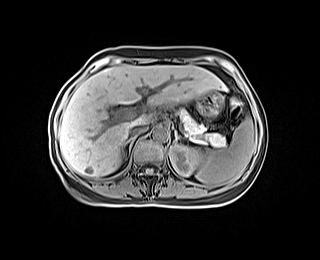

Magnetic resonance imaging, abdomen. axial view. 1st–99th percentile window
<organs><organ name="spleen" x1="195" y1="116" x2="255" y2="186"/><organ name="left kidney" x1="169" y1="144" x2="202" y2="176"/><organ name="liver" x1="59" y1="64" x2="225" y2="176"/><organ name="stomach" x1="196" y1="91" x2="223" y2="117"/><organ name="aorta" x1="153" y1="126" x2="168" y2="140"/><organ name="inferior vena cava" x1="129" y1="124" x2="147" y2="135"/><organ name="pancreas" x1="178" y1="108" x2="224" y2="145"/><organ name="right adrenal gland" x1="124" y1="136" x2="136" y2="149"/><organ name="left adrenal gland" x1="172" y1="130" x2="177" y2="143"/></organs>